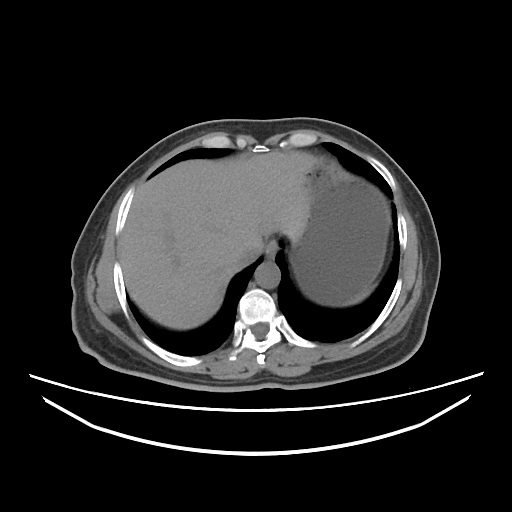
Computed tomography, abdomen; axial plane, index 87; abdomen soft-tissue window
{"organs":{"spleen":[352,288,371,302],"esophagus":[265,240,278,260],"liver":[120,151,314,329],"stomach":[289,157,390,306],"aorta":[254,261,280,288],"inferior vena cava":[239,246,262,264]}}